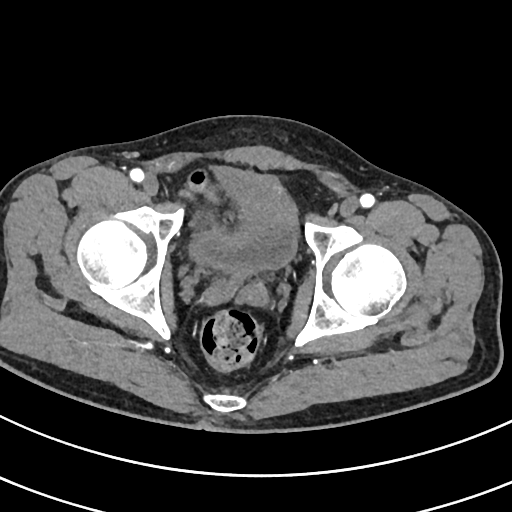
Computed tomography, abdomen; axial view; soft-tissue window (W 400 / L 40); SOMATOM Force scanner; scan has 15 labeled organs (that count is for the whole scan; organs this slice misses have no box)
<organs><organ name="bladder" x1="191" y1="166" x2="296" y2="271"/></organs>